Computed tomography, abdomen — axial view — soft-tissue window — 512x512 px
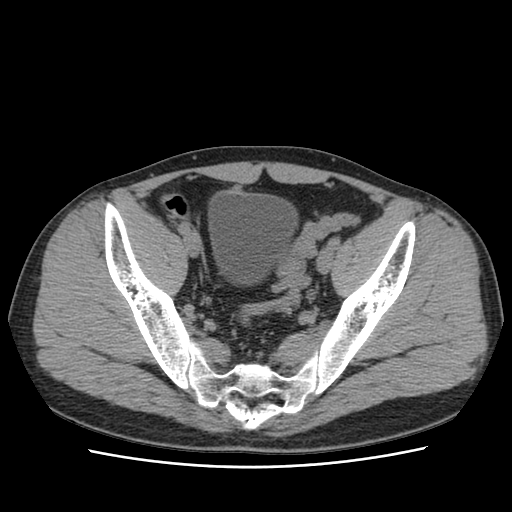
{"organs":{"bladder":[208,189,297,285]}}